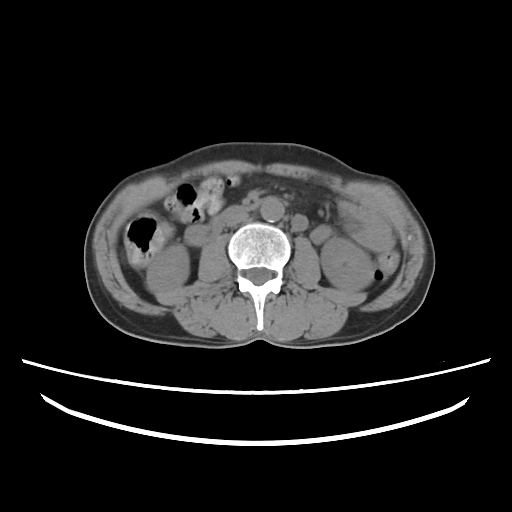 CT, abdomen/pelvis; axial plane, index 57
One row per box, in pixels: columns x1 and y1 give the top-left corner, x2 and y2 the bottom-right.
| organ | x1 | y1 | x2 | y2 |
|---|---|---|---|---|
| right kidney | 148 | 244 | 187 | 293 |
| left kidney | 321 | 236 | 373 | 291 |
| aorta | 261 | 199 | 283 | 222 |
| inferior vena cava | 224 | 212 | 249 | 226 |
| duodenum | 211 | 196 | 266 | 237 |